Abdominal MRI; this slice is in the lower chest, just above the liver. axial view. 1st–99th percentile window. acquired on Prisma
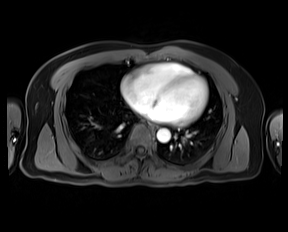
The heart and lungs are never labeled in this dataset, so they have no box on this slice.
Coordinates as <box>x1,y1,x2,y2</box> in pixels.
aorta: <box>157,128,170,142</box>
esophagus: <box>151,124,157,129</box>